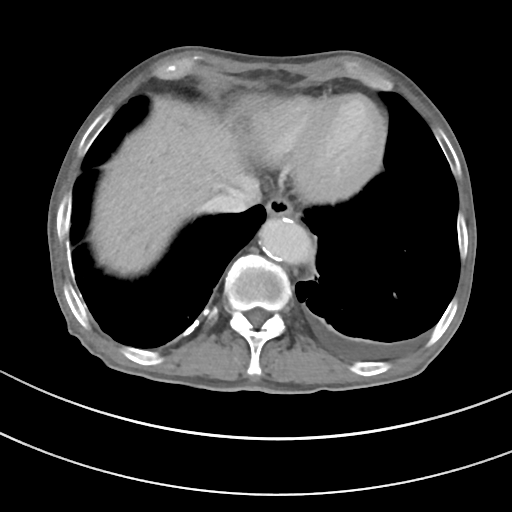 Abdominal CT — axial view — soft-tissue window (W 400 / L 40) — SOMATOM Force scanner
Boxes are (x1, y1, x2, y2) in pixels. The annotated organs in this slice are: liver at (92, 98, 257, 274), aorta at (259, 218, 313, 264), esophagus at (266, 195, 293, 218), inferior vena cava at (207, 186, 260, 213).